Abdominal MR · coronal view · percentile-normalized · scan has 13 labeled organs (counted over the whole 3D scan, not this slice; an organ is boxed only where this slice passes through it)
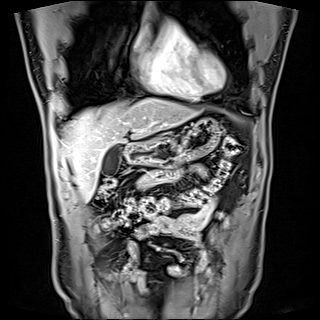 Boxes: x1 y1 x2 y2 (pixel coords, space-separated).
Organ bounding boxes:
- gall bladder: 100 144 121 176
- liver: 62 98 197 200
- stomach: 127 118 220 170
- duodenum: 126 142 136 154